CT, abdomen/pelvis · axial view · abdomen soft-tissue window · 59-year-old male patient · acquired on Brilliance16
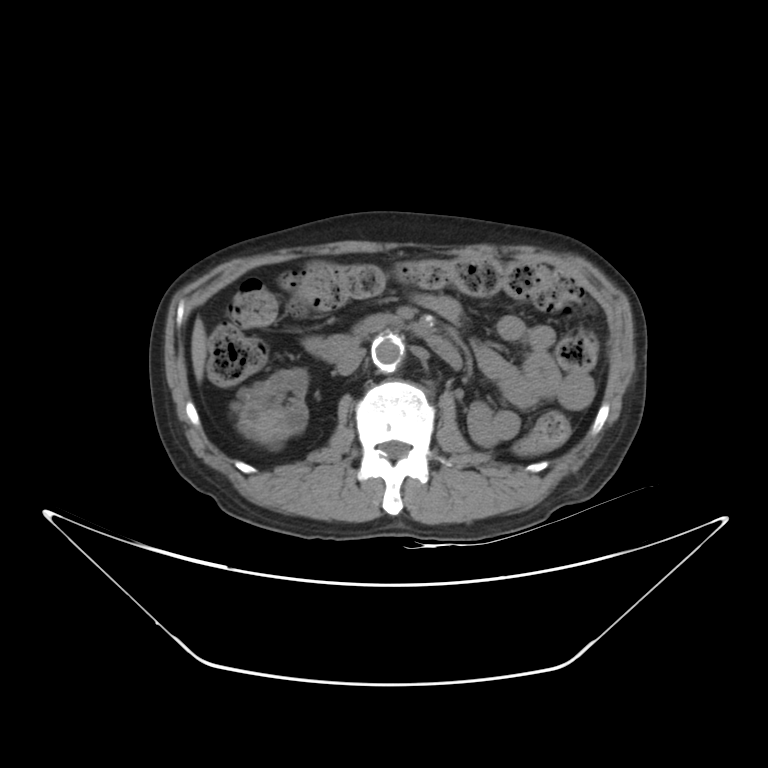 {"organs":{"right kidney":[237,368,308,448],"liver":[190,318,206,381],"aorta":[372,333,404,371],"inferior vena cava":[336,346,364,375],"pancreas":[355,314,397,335],"duodenum":[320,334,462,369]}}